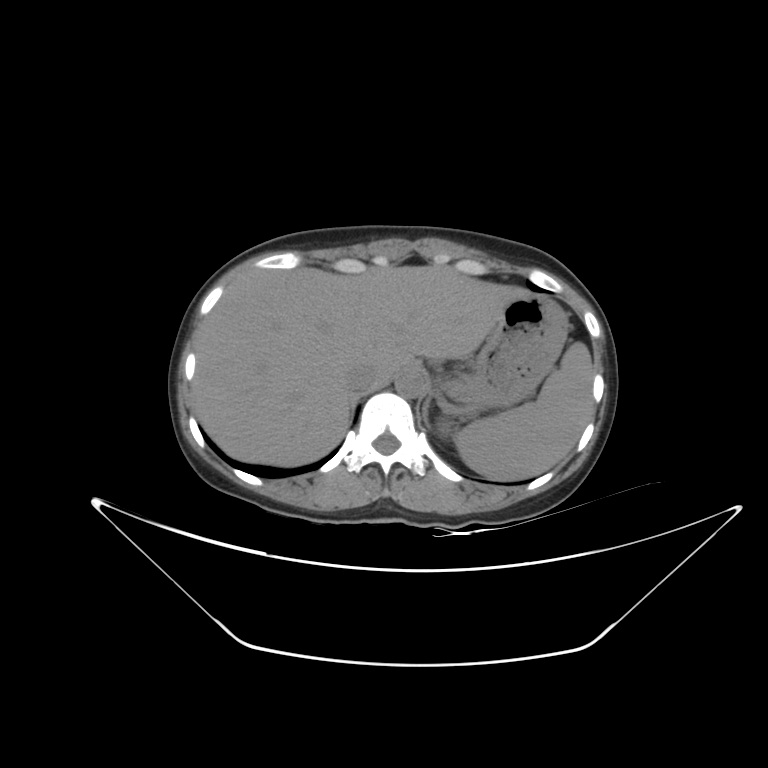

CT abdomen. Axial slice 77/83. abdomen soft-tissue window. 768x768 px
{"organs":{"left kidney":[438,421,450,435],"inferior vena cava":[346,364,379,391],"liver":[193,265,524,465],"stomach":[447,292,568,407],"spleen":[454,342,592,480],"left adrenal gland":[422,394,436,428],"aorta":[394,368,426,397]}}